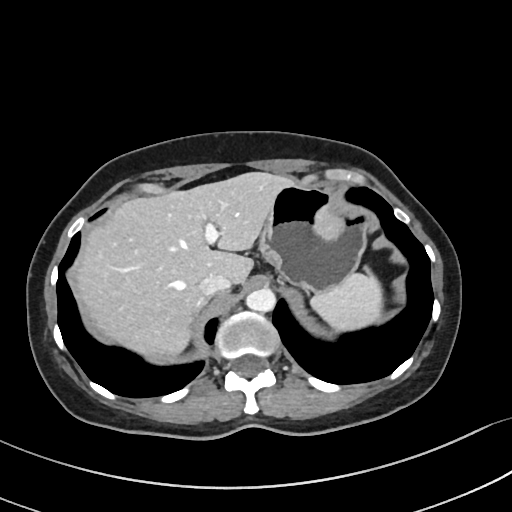 Abdominal CT; axial view; soft-tissue window (W 400 / L 40); 15 organs annotated in this scan (that count is for the whole scan; organs this slice misses have no box)
Each box given as x1,y1,x2,y2. 5 labeled organs on this slice — spleen at x1=310, y1=265, x2=383, y2=332; stomach at x1=258, y1=180, x2=370, y2=292; liver at x1=79, y1=171, x2=291, y2=361; aorta at x1=246, y1=287, x2=275, y2=312; inferior vena cava at x1=199, y1=276, x2=232, y2=297.